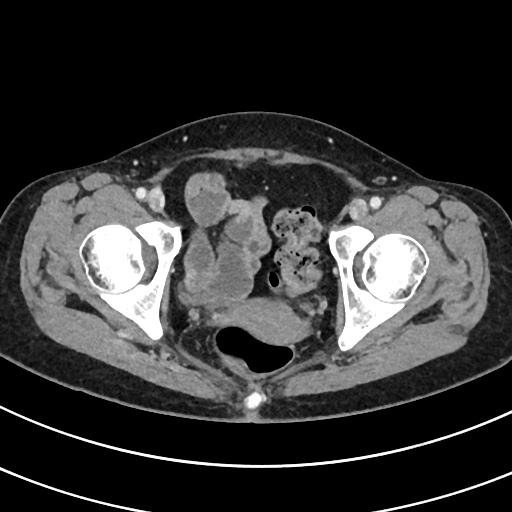
Abdominal CT · axial view · scan has 15 labeled organs (counted over the whole 3D scan, not this slice; an organ is boxed only where this slice passes through it)
Coordinates as <box>x1,y1,x2,y2</box> in pixels. Labeled organs on this slice: prostate/uterus at <box>224,299,304,345</box>, bladder at <box>180,293,232,304</box>.